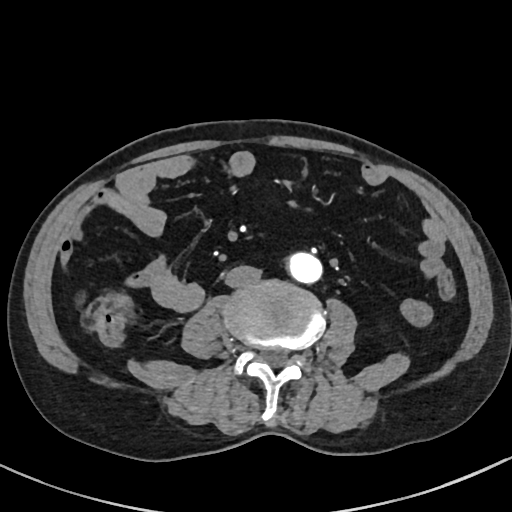 Computed tomography, abdomen · Axial slice 121/303 · W/L 400/40 HU · SOMATOM Force scanner · scan has 15 labeled organs (counted over the whole 3D scan, not this slice; an organ is boxed only where this slice passes through it)
<organs><organ name="aorta" x1="290" y1="252" x2="323" y2="284"/><organ name="inferior vena cava" x1="225" y1="265" x2="262" y2="288"/></organs>